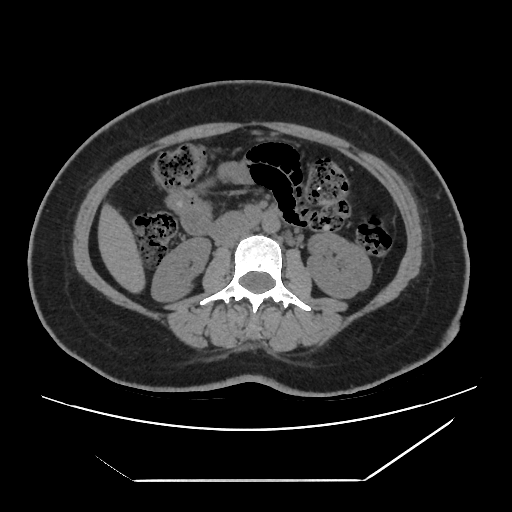
CT, abdomen/pelvis · axial view
Bounding boxes as [x1, y1, x2, y2] in pixel coordinates. 6 labeled organs on this slice — right kidney at [151, 237, 210, 302]; left kidney at [307, 232, 372, 298]; liver at [98, 202, 146, 294]; aorta at [262, 216, 280, 233]; inferior vena cava at [218, 227, 251, 246]; duodenum at [208, 208, 280, 241].